Computed tomography, abdomen. axial view. abdomen soft-tissue window
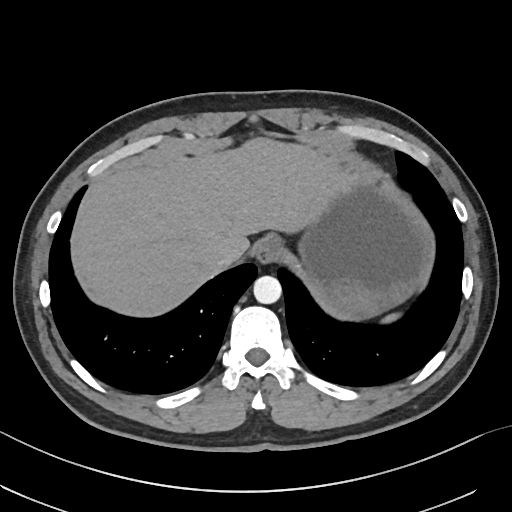 One row per box, in pixels: columns x1 and y1 give the top-left corner, x2 and y2 the bottom-right.
| organ | x1 | y1 | x2 | y2 |
|---|---|---|---|---|
| esophagus | 254 | 236 | 282 | 264 |
| aorta | 253 | 276 | 281 | 304 |
| liver | 78 | 137 | 358 | 316 |
| inferior vena cava | 210 | 245 | 241 | 269 |
| spleen | 383 | 313 | 398 | 322 |
| stomach | 297 | 175 | 432 | 316 |